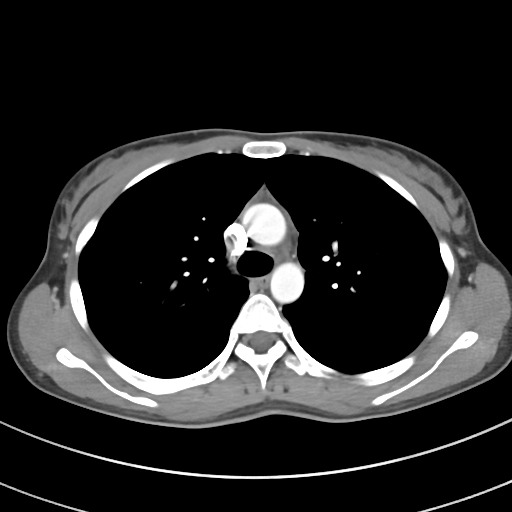

CT of the abdomen extending into the chest, slice through the chest. axial view. soft-tissue window (W 400 / L 40). 512x512 px
At this level of the chest no structure but the esophagus and the aorta has a label in this dataset, and those two are boxed only where they are labeled.
Coordinates as <box>x1,y1,x2,y2</box> in pixels.
Organ bounding boxes:
- esophagus: <box>252,276,267,287</box>
- aorta: <box>243,203,286,245</box>
- aorta: <box>269,263,303,303</box>